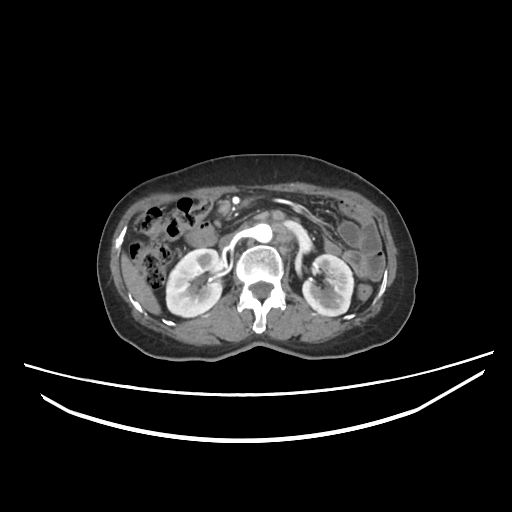
CT abdomen; axial view
Each box given as x1,y1,x2,y2. Labeled organs on this slice: right kidney at x1=166, y1=249, x2=222, y2=316, left kidney at x1=302, y1=254, x2=353, y2=315, liver at x1=121, y1=254, x2=160, y2=315, aorta at x1=256, y1=224, x2=273, y2=243, inferior vena cava at x1=217, y1=232, x2=235, y2=248, duodenum at x1=184, y1=222, x2=218, y2=248.